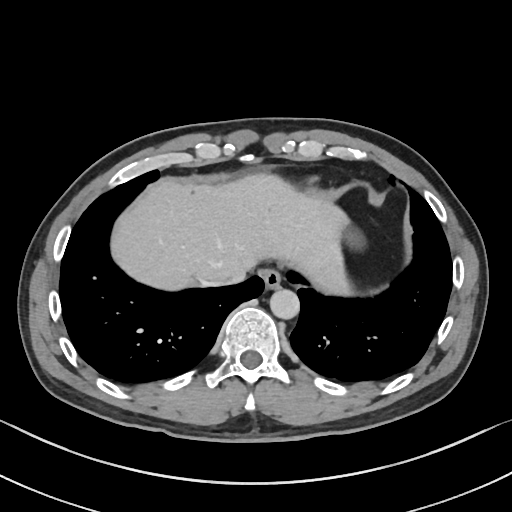

CT, abdomen/pelvis — axial view — acquired on SOMATOM Force
{"organs":{"esophagus":[260,268,282,288],"liver":[112,172,351,296],"stomach":[343,225,360,247],"aorta":[270,289,299,319],"inferior vena cava":[202,278,232,286]}}